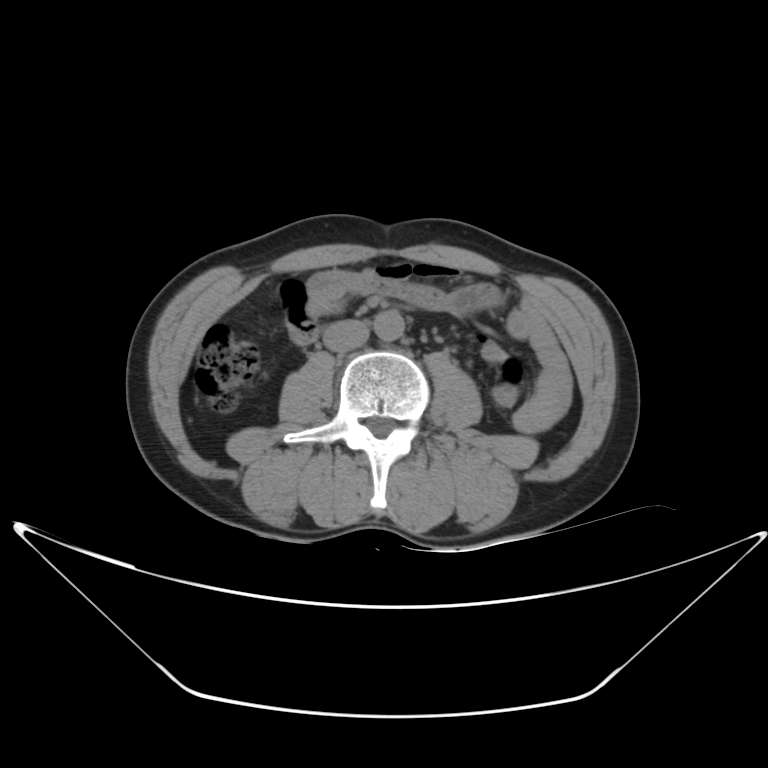 CT abdomen · Axial slice 53/93 · soft-tissue window (W 400 / L 40) · 768x768 px · 51-year-old male patient
Boxes are (x1, y1, x2, y2) in pixels.
aorta: (373, 308, 405, 340)
inferior vena cava: (322, 321, 367, 350)